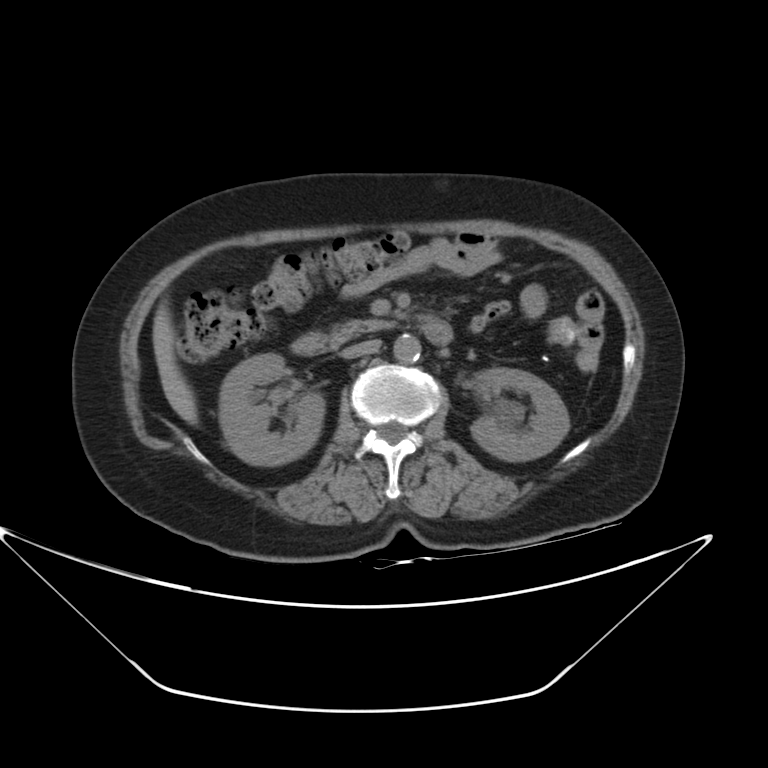
CT, abdomen/pelvis; axial view; soft-tissue window (W 400 / L 40)
<organs><organ name="right kidney" x1="220" y1="353" x2="325" y2="465"/><organ name="left kidney" x1="470" y1="368" x2="569" y2="461"/><organ name="liver" x1="152" y1="302" x2="197" y2="425"/><organ name="aorta" x1="393" y1="334" x2="421" y2="361"/><organ name="inferior vena cava" x1="341" y1="340" x2="380" y2="359"/><organ name="pancreas" x1="330" y1="319" x2="392" y2="345"/><organ name="duodenum" x1="291" y1="318" x2="453" y2="355"/></organs>